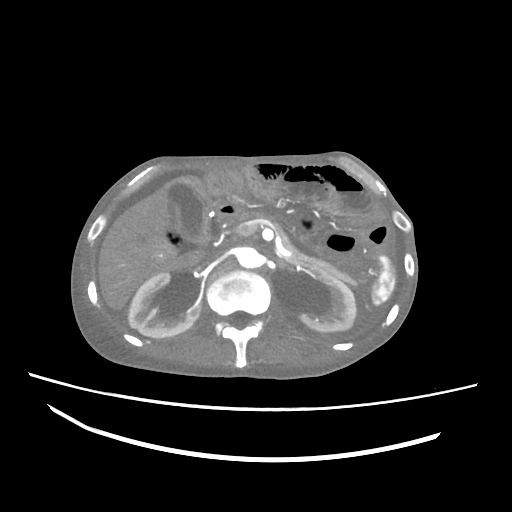
Computed tomography, abdomen · Axial slice 64/123 · soft-tissue window · 512x512 px · 15 organs annotated in this scan (that count is for the whole scan; organs this slice misses have no box)
<organs><organ name="spleen" x1="371" y1="255" x2="395" y2="305"/><organ name="aorta" x1="237" y1="247" x2="260" y2="268"/><organ name="pancreas" x1="273" y1="221" x2="352" y2="281"/><organ name="left kidney" x1="298" y1="270" x2="356" y2="332"/><organ name="duodenum" x1="200" y1="212" x2="225" y2="244"/><organ name="inferior vena cava" x1="204" y1="249" x2="222" y2="263"/><organ name="gall bladder" x1="169" y1="184" x2="205" y2="241"/><organ name="liver" x1="98" y1="176" x2="214" y2="310"/><organ name="right kidney" x1="128" y1="273" x2="200" y2="338"/></organs>